CT abdomen · Axial slice 131/306 · W/L 400/40 HU · 512x512 px
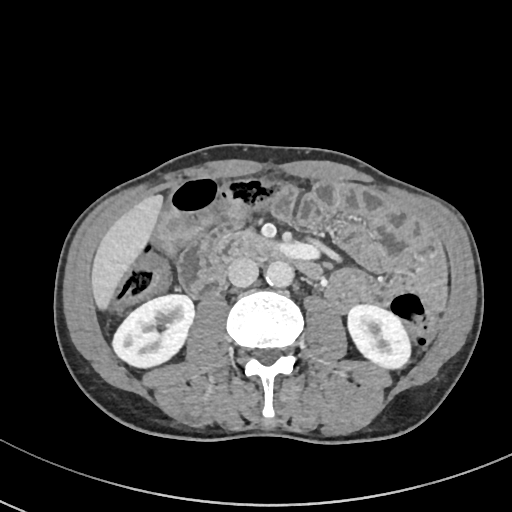

Coordinates as <box>x1,y1,x2,y2</box> in pixels.
Organ bounding boxes:
- duodenum: <box>201,228,323,280</box>
- liver: <box>90,196,163,312</box>
- right kidney: <box>111,294,194,369</box>
- aorta: <box>265,261,294,288</box>
- left kidney: <box>346,303,412,371</box>
- inferior vena cava: <box>227,258,258,286</box>